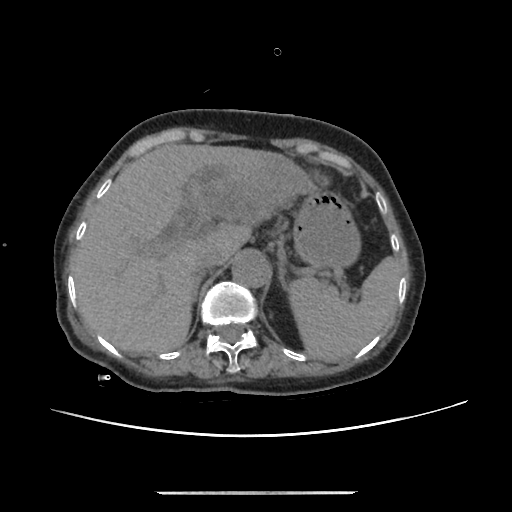 CT abdomen. axial plane, index 273. W/L 400/40 HU. 512x512 px. scan has 14 labeled organs (a whole-scan count: organs this slice does not pass through have no box)
One row per box, in pixels: columns x1 and y1 give the top-left corner, x2 and y2 the bottom-right.
| organ | x1 | y1 | x2 | y2 |
|---|---|---|---|---|
| spleen | 287 | 258 | 400 | 362 |
| liver | 71 | 144 | 315 | 353 |
| stomach | 293 | 190 | 359 | 269 |
| aorta | 232 | 252 | 270 | 287 |
| inferior vena cava | 195 | 251 | 219 | 278 |
| left adrenal gland | 279 | 268 | 285 | 285 |